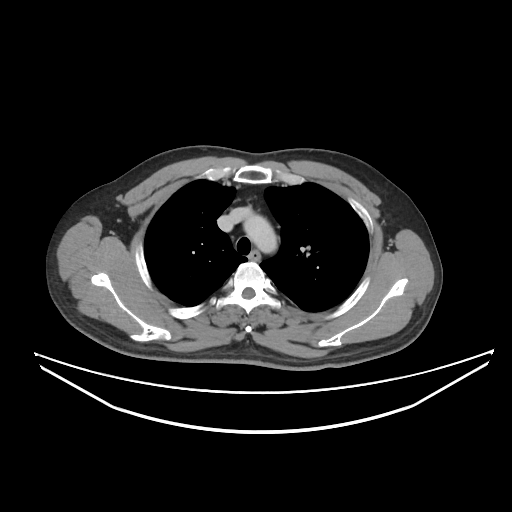 Chest-level slice from an abdominal CT that extends up into the chest; axial view; 40-year-old male patient
At this level of the chest no structure but the esophagus and the aorta has a label in this dataset, and those two are boxed only where they are labeled.
{"organs":{"esophagus":[249,251,260,260],"aorta":[243,215,277,253]}}